CT, abdomen/pelvis; axial view; soft-tissue window
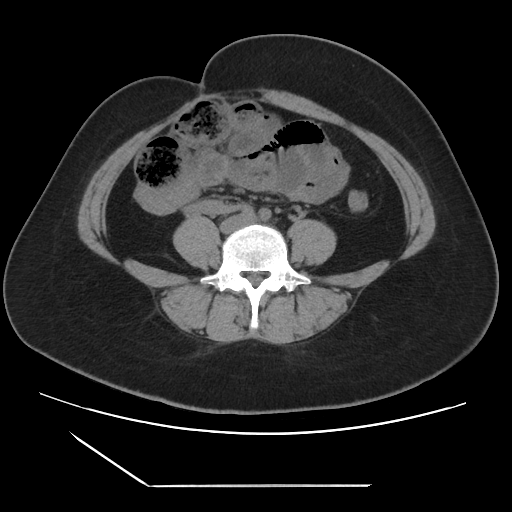

{"organs":{"inferior vena cava":[221,215,248,231]}}